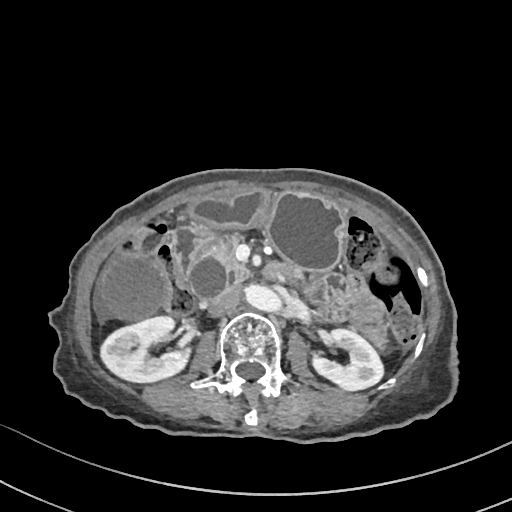 CT, abdomen/pelvis; axial view; abdomen soft-tissue window; 512x512 px
{"organs":{"right kidney":[99,316,191,381],"left kidney":[311,329,382,389],"gall bladder":[101,255,166,320],"stomach":[191,192,345,271],"aorta":[242,283,281,311],"inferior vena cava":[207,288,239,316],"pancreas":[200,237,307,283],"duodenum":[170,228,286,293]}}